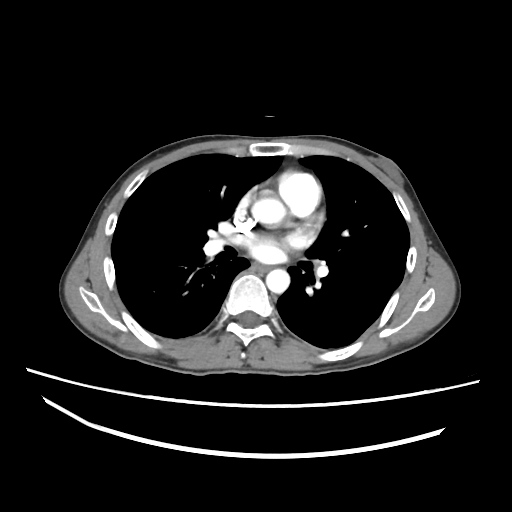 CT of the abdomen extending into the chest, slice through the chest. axial view. soft-tissue window. 40-year-old male patient. 15 organs annotated in this scan (counted over the whole 3D scan, not this slice; an organ is boxed only where this slice passes through it)
At this level of the chest this dataset labels only the esophagus and the aorta, and each is boxed only where it is labeled; the heart and lungs are never labeled.
Bounding boxes as [x1, y1, x2, y2] in pixel coordinates.
esophagus: [251, 262, 269, 272]
aorta: [252, 197, 285, 225]
aorta: [266, 269, 289, 293]